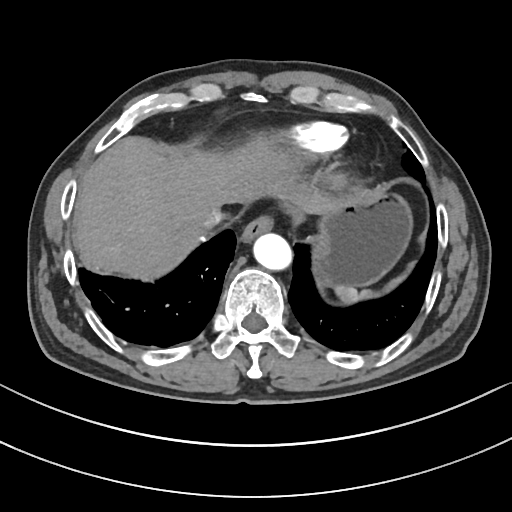 Computed tomography, abdomen · Axial slice 181/280 · soft-tissue window (W 400 / L 40) · 512x512 px
Bounding boxes as [x1, y1, x2, y2] in pixel coordinates. The annotated organs in this slice are: spleen at [336, 262, 416, 301], esophagus at [239, 218, 271, 244], liver at [74, 137, 340, 275], stomach at [318, 192, 410, 286], aorta at [254, 234, 293, 271], inferior vena cava at [198, 206, 222, 229].